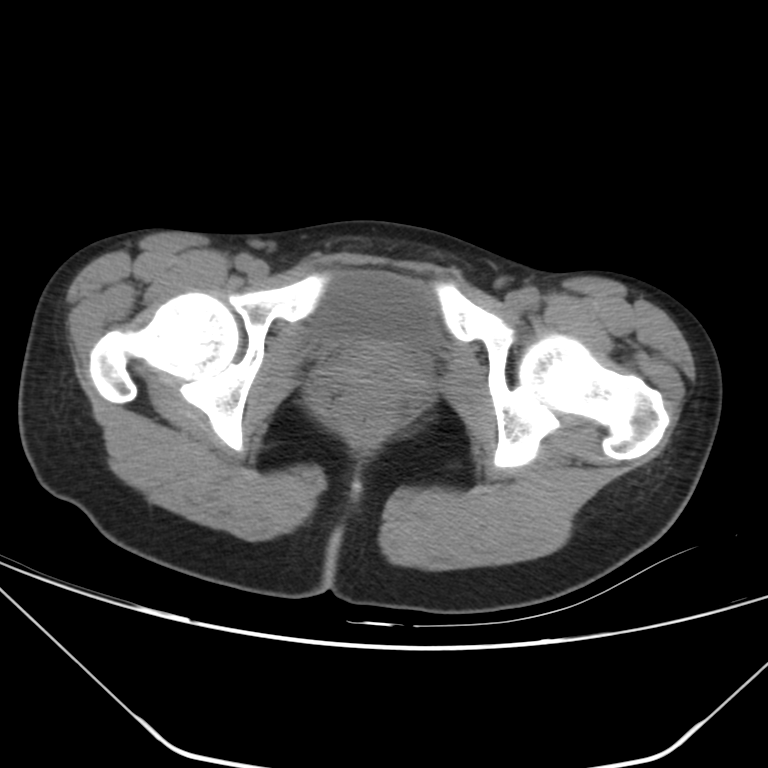

Computed tomography, abdomen — axial view — abdomen soft-tissue window
Each box given as x1,y1,x2,y2.
bladder: x1=312, y1=271, x2=439, y2=349